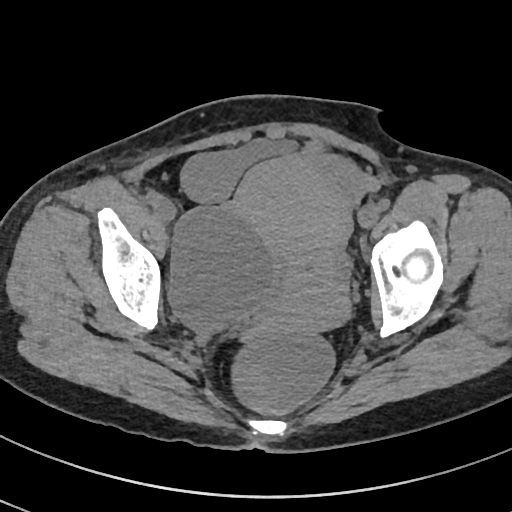
Abdominal CT. axial view. abdomen soft-tissue window
Bounding boxes as [x1, y1, x2, y2] in pixel coordinates.
bladder: [181, 140, 293, 202]
prostate/uterus: [232, 154, 352, 343]